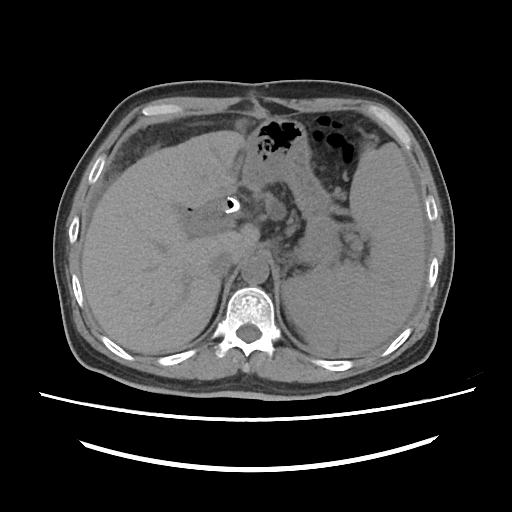 Abdominal CT. axial plane, index 73. 512x512 px
Each box given as x1,y1,x2,y2.
Organ bounding boxes:
- spleen: x1=282, y1=142, x2=425, y2=352
- liver: x1=81, y1=122, x2=258, y2=354
- stomach: x1=242, y1=117, x2=340, y2=266
- aorta: x1=241, y1=257, x2=268, y2=284
- inferior vena cava: x1=210, y1=250, x2=234, y2=277